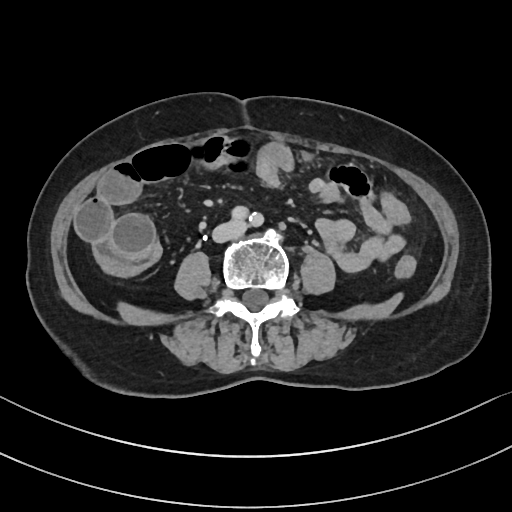

CT, abdomen/pelvis · axial view · soft-tissue window · 512x512 px · acquired on SOMATOM Force
{"organs":{"inferior vena cava":[214,223,241,240]}}